CT, abdomen/pelvis — axial view — W/L 400/40 HU
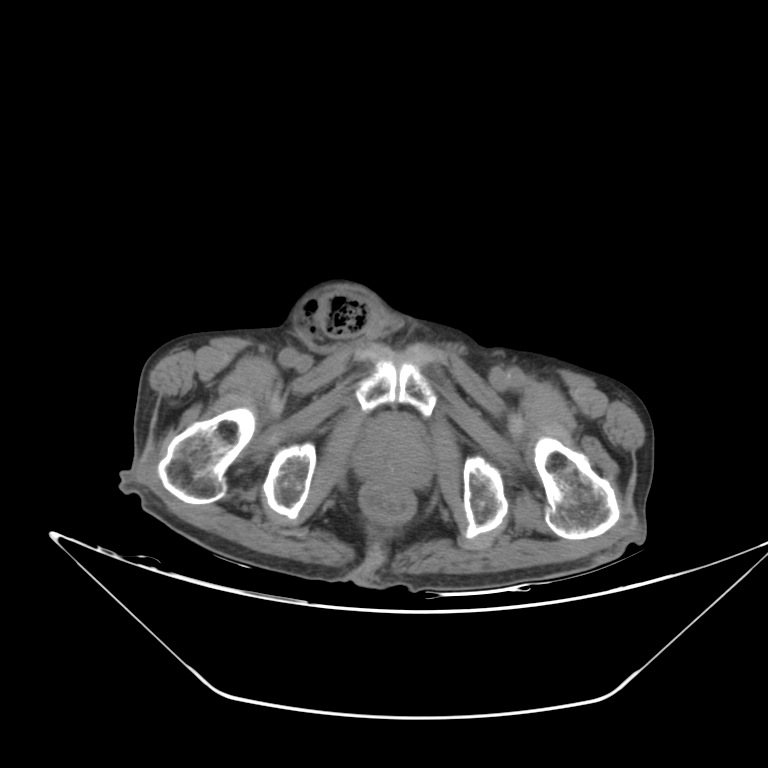

Boxes: x1 y1 x2 y2 (pixel coords, space-separated). The annotated organs in this slice are: prostate/uterus at 351 424 433 488.